CT abdomen · axial view · soft-tissue window · 63-year-old female patient
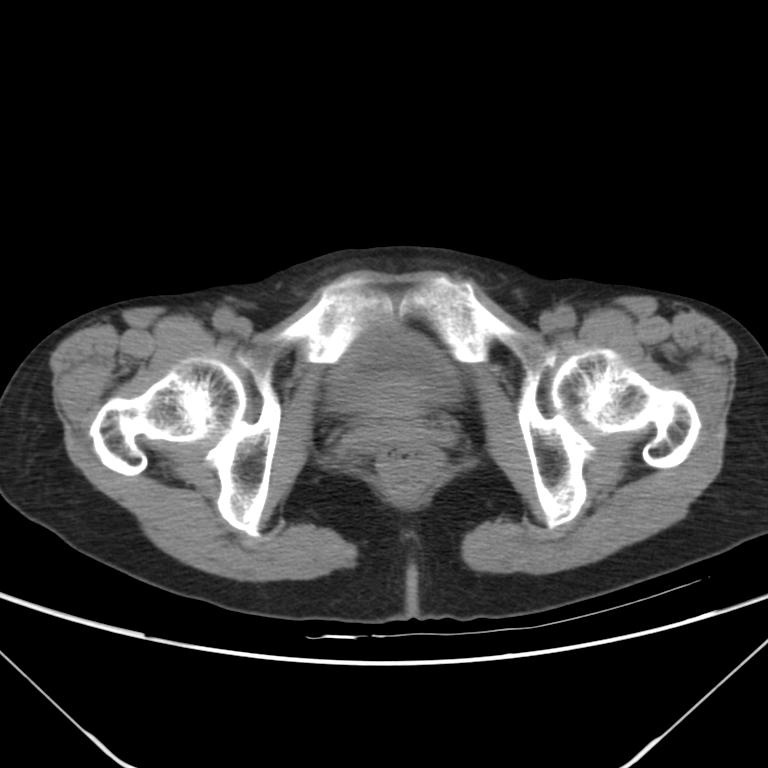 Bounding boxes as [x1, y1, x2, y2] in pixel coordinates.
bladder: [325, 322, 458, 411]